Computed tomography, abdomen. axial view. soft-tissue window (W 400 / L 40). 56-year-old female patient. 15 organs annotated in this scan (counted over the whole 3D scan, not this slice; an organ is boxed only where this slice passes through it)
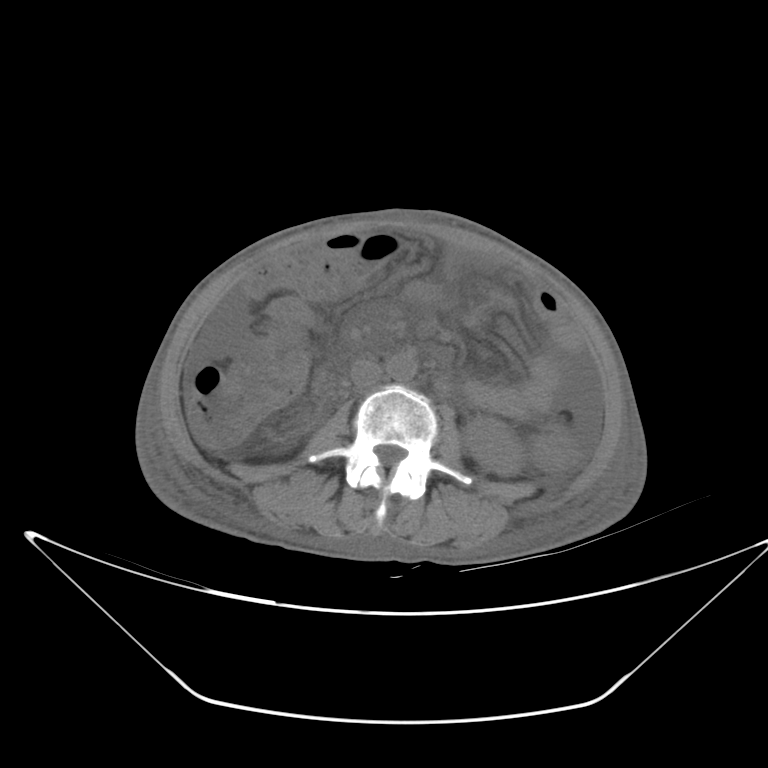

Organ boxes in pixel coordinates; each row gives the top-left (x1, y1) and bottom-right (x2, y2) corners.
| organ | x1 | y1 | x2 | y2 |
|---|---|---|---|---|
| left kidney | 462 | 417 | 523 | 476 |
| aorta | 386 | 353 | 417 | 381 |
| inferior vena cava | 351 | 360 | 382 | 388 |